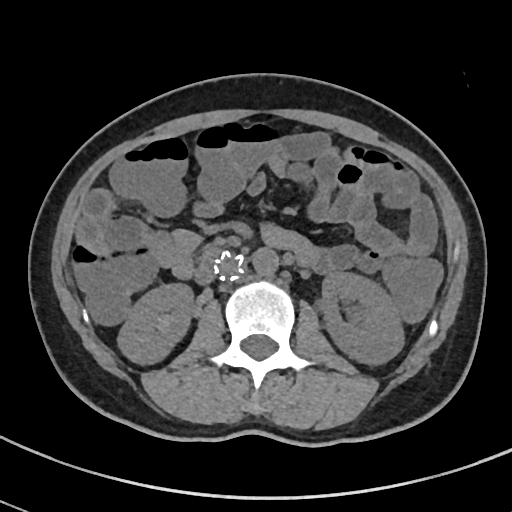 CT, abdomen/pelvis. Axial slice 137/218. 512x512 px
Boxes: x1:y1:x2:y2 in pixels.
right kidney: 117:283:193:364
left kidney: 320:272:404:365
aorta: 253:248:278:275
inferior vena cava: 213:252:244:281
duodenum: 194:248:220:283